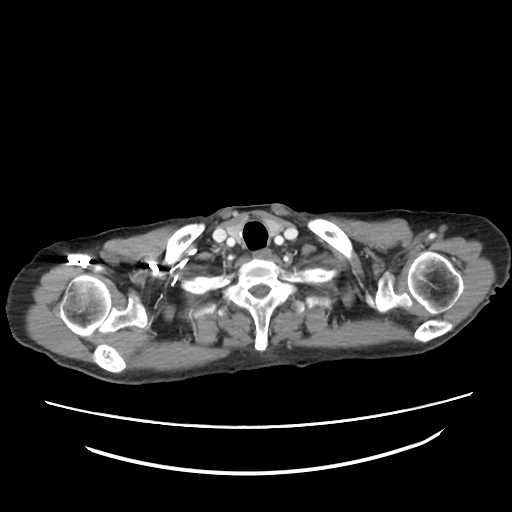 Chest-level slice from an abdominal CT that extends up into the chest. axial view. 68-year-old male patient
On a slice this high in the chest, this dataset labels only the esophagus and the aorta, and each is boxed only where it is labeled; the heart, lungs and other chest structures are not labeled.
Boxes are (x1, y1, x2, y2) in pixels.
esophagus: (253, 249, 270, 258)